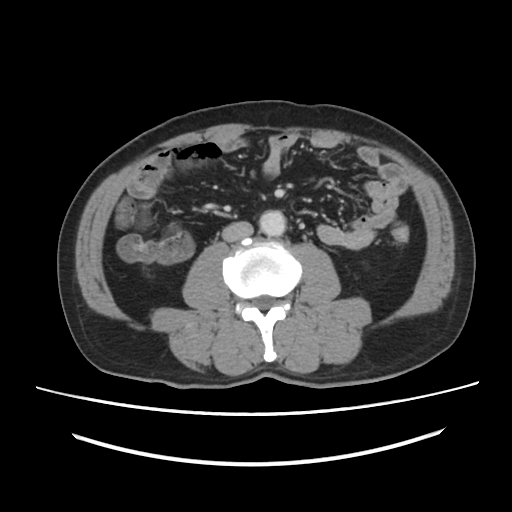 CT, abdomen/pelvis; Axial slice 49/124; 512x512 px; 58-year-old male patient; acquired on Aquilion ONE
{"organs":{"aorta":[259,210,285,236],"inferior vena cava":[222,221,253,241]}}